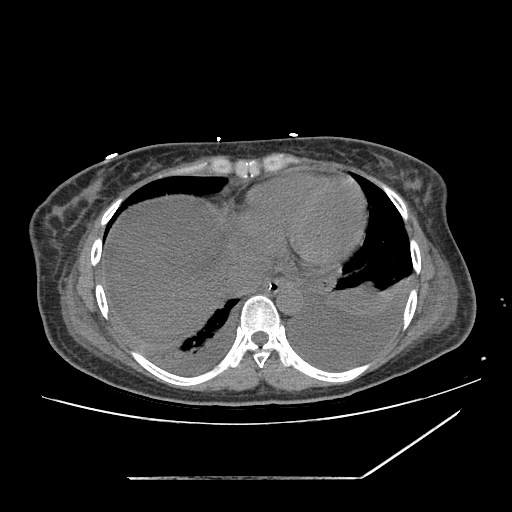 CT abdomen. axial plane, index 172. 512x512 px. 15 organs annotated in this scan (that count is for the whole scan; organs this slice misses have no box)
Organ boxes in pixel coordinates; each row gives the top-left (x1, y1) and bottom-right (x2, y2) corners.
| organ | x1 | y1 | x2 | y2 |
|---|---|---|---|---|
| stomach | 276 | 291 | 278 | 293 |
| esophagus | 261 | 278 | 291 | 293 |
| liver | 114 | 199 | 238 | 341 |
| inferior vena cava | 225 | 257 | 266 | 294 |
| aorta | 276 | 285 | 304 | 314 |